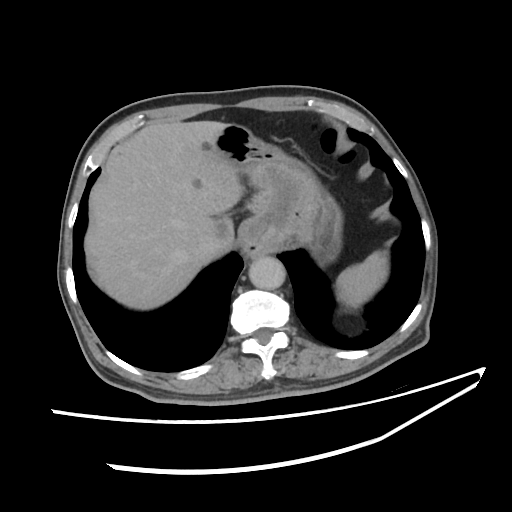 CT abdomen — Axial slice 80/91 — 512x512 px — Aquilion ONE scanner
<organs><organ name="spleen" x1="335" y1="251" x2="389" y2="310"/><organ name="liver" x1="86" y1="121" x2="242" y2="308"/><organ name="stomach" x1="216" y1="123" x2="342" y2="261"/><organ name="aorta" x1="249" y1="257" x2="286" y2="289"/><organ name="inferior vena cava" x1="195" y1="240" x2="204" y2="251"/></organs>